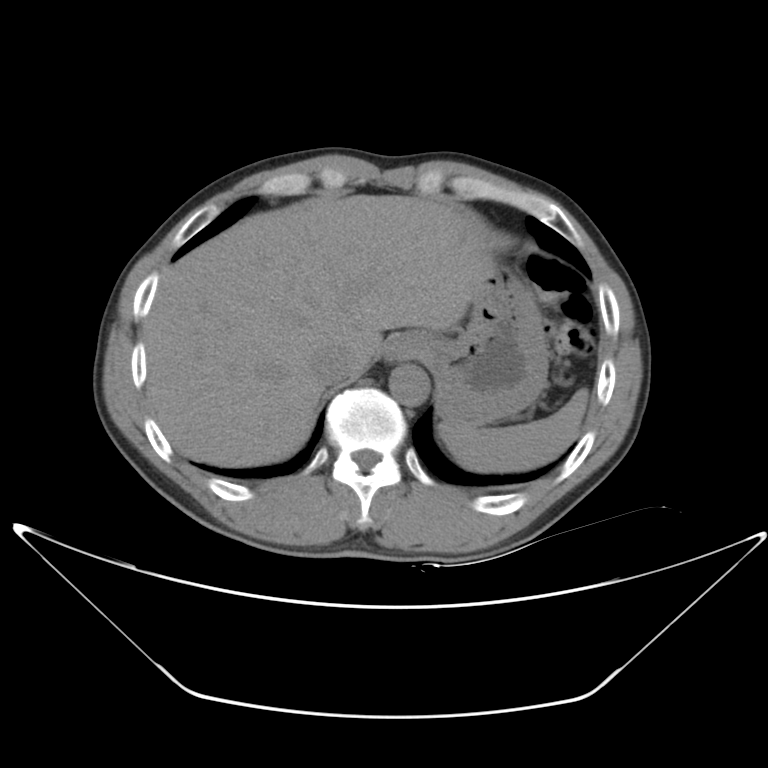
Computed tomography, abdomen. Axial slice 82/93. 768x768 px. Brilliance16 scanner. scan has 15 labeled organs (a whole-scan count: organs this slice does not pass through have no box)
Bounding boxes as [x1, y1, x2, y2] in pixel coordinates. Labeled organs on this slice: spleen at [438, 387, 586, 472], liver at [143, 193, 486, 467], stomach at [381, 235, 548, 429], aorta at [389, 362, 429, 405], inferior vena cava at [314, 345, 354, 383].